CT abdomen · axial view
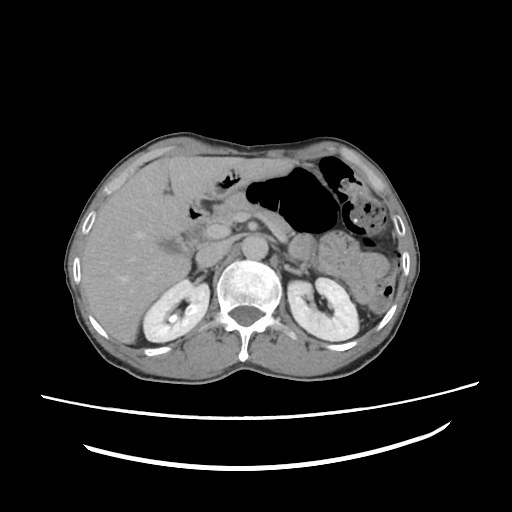

<organs><organ name="right kidney" x1="143" y1="280" x2="210" y2="343"/><organ name="left kidney" x1="287" y1="277" x2="359" y2="341"/><organ name="gall bladder" x1="159" y1="238" x2="187" y2="254"/><organ name="liver" x1="82" y1="152" x2="243" y2="343"/><organ name="stomach" x1="205" y1="160" x2="292" y2="200"/><organ name="aorta" x1="241" y1="236" x2="267" y2="258"/><organ name="inferior vena cava" x1="195" y1="242" x2="227" y2="266"/><organ name="pancreas" x1="203" y1="196" x2="254" y2="229"/><organ name="left adrenal gland" x1="285" y1="254" x2="298" y2="264"/><organ name="duodenum" x1="186" y1="203" x2="207" y2="224"/></organs>